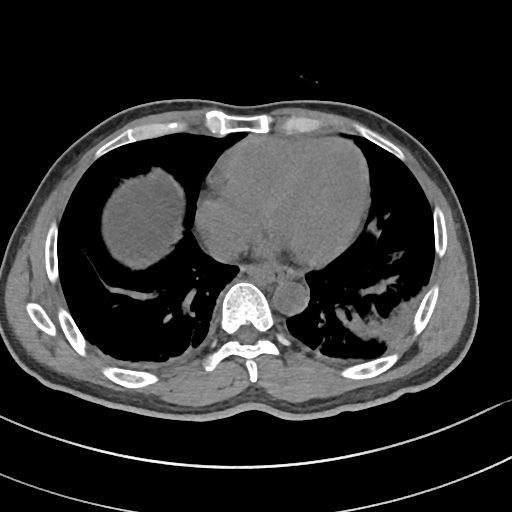 CT of the abdomen reaching into the lower chest, slice just above the liver and spleen · axial view · W/L 400/40 HU · scan has 15 labeled organs (that count is for the whole scan; organs this slice misses have no box)
The heart and lungs are never labeled in this dataset, so they have no box on this slice.
<organs><organ name="esophagus" x1="240" y1="265" x2="299" y2="283"/><organ name="aorta" x1="273" y1="281" x2="308" y2="315"/><organ name="inferior vena cava" x1="208" y1="234" x2="245" y2="262"/></organs>